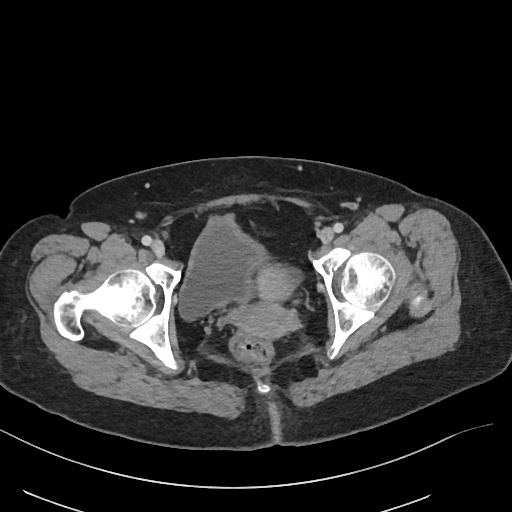 CT abdomen · Axial slice 34/244 · soft-tissue window (W 400 / L 40)
One row per box, in pixels: columns x1 and y1 give the top-left corner, x2 and y2 the bottom-right.
| organ | x1 | y1 | x2 | y2 |
|---|---|---|---|---|
| bladder | 179 | 214 | 265 | 320 |
| prostate/uterus | 232 | 263 | 297 | 339 |